Abdominal CT · axial view · soft-tissue window · 512x512 px · 41-year-old male patient · scan has 15 labeled organs (counted over the whole 3D scan, not this slice; an organ is boxed only where this slice passes through it)
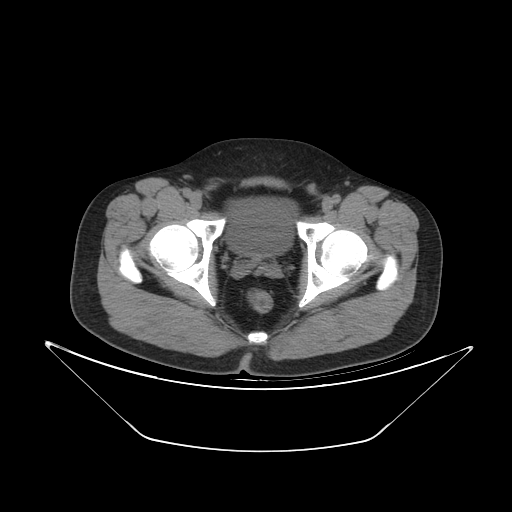 Each box given as x1,y1,x2,y2. 1 labeled organ on this slice — bladder at x1=227, y1=197, x2=296, y2=256.